Computed tomography, abdomen — axial view — 768x768 px
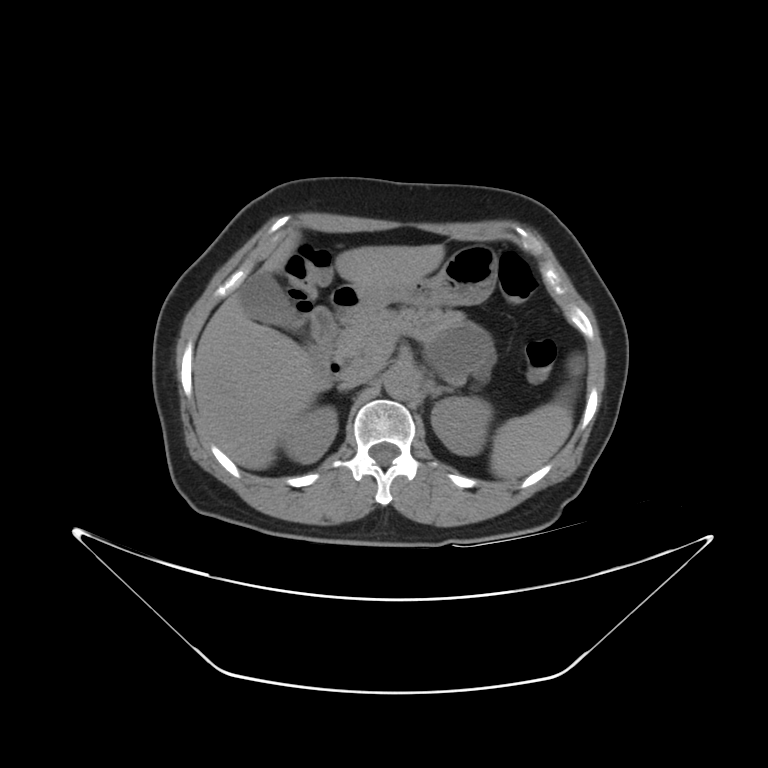

<organs><organ name="spleen" x1="490" y1="400" x2="572" y2="480"/><organ name="right kidney" x1="283" y1="405" x2="336" y2="460"/><organ name="left kidney" x1="432" y1="396" x2="489" y2="456"/><organ name="gall bladder" x1="239" y1="271" x2="302" y2="330"/><organ name="liver" x1="193" y1="232" x2="443" y2="468"/><organ name="stomach" x1="331" y1="246" x2="497" y2="318"/><organ name="aorta" x1="382" y1="364" x2="421" y2="399"/><organ name="inferior vena cava" x1="342" y1="366" x2="382" y2="387"/><organ name="pancreas" x1="332" y1="305" x2="495" y2="374"/><organ name="left adrenal gland" x1="428" y1="380" x2="458" y2="400"/><organ name="duodenum" x1="310" y1="306" x2="340" y2="368"/></organs>